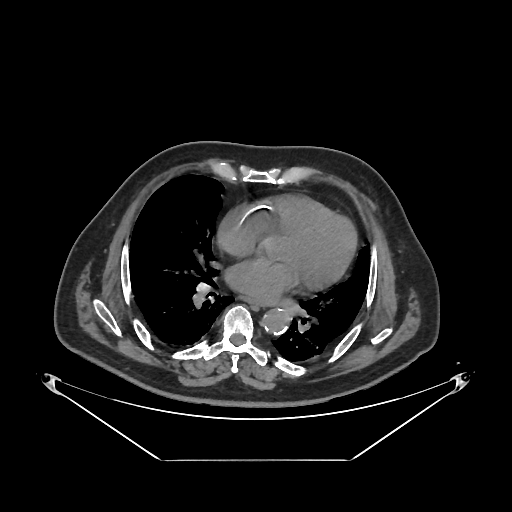

Abdominal CT; this slice is in the lower chest, just above the liver — axial plane, index 352 — 512x512 px — scan has 15 labeled organs (a whole-scan count: organs this slice does not pass through have no box)
No part of the heart or lungs is labeled in this dataset, so neither has a box here.
<organs><organ name="esophagus" x1="245" y1="297" x2="265" y2="304"/><organ name="aorta" x1="263" y1="308" x2="291" y2="334"/></organs>